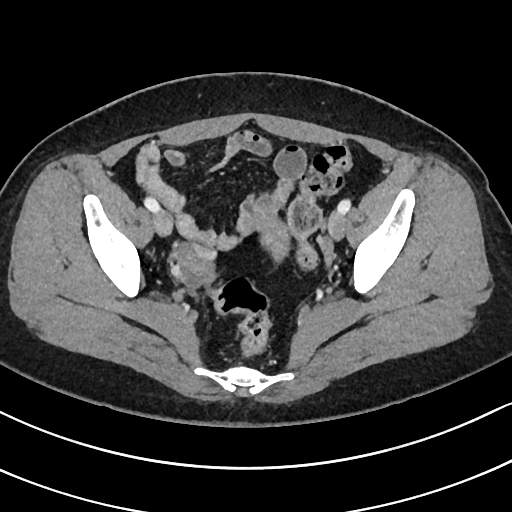

Computed tomography, abdomen · axial view · soft-tissue window (W 400 / L 40)
Box edges are left/top/right/bottom in pixels.
prostate/uterus: left=260, top=223, right=289, bottom=260